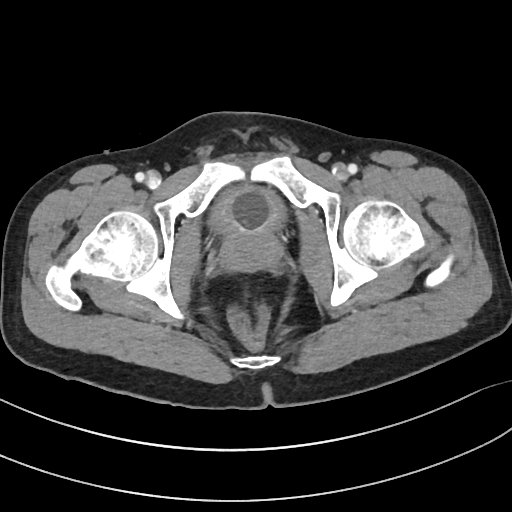

Computed tomography, abdomen. axial view. 512x512 px. 15 organs annotated in this scan (that count is for the whole scan; organs this slice misses have no box)
Boxes: x1 y1 x2 y2 (pixel coords, space-separated). The annotated organs in this slice are: bladder at 212 186 284 233, prostate/uterus at 222 231 281 269.